Computed tomography, abdomen. axial view. soft-tissue window (W 400 / L 40). scan has 15 labeled organs (that count is for the whole scan; organs this slice misses have no box)
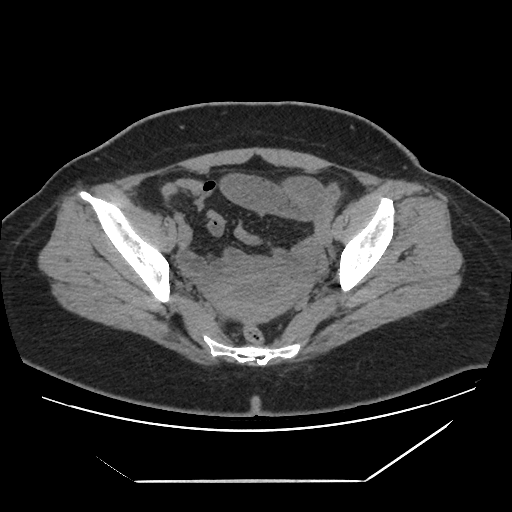 {"organs":{"prostate/uterus":[205,257,307,322]}}